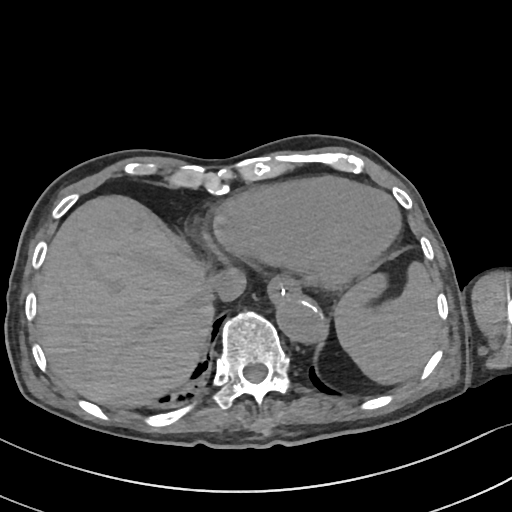

CT abdomen; axial view; 512x512 px
Boxes: x1 y1 x2 y2 (pixel coords, space-separated).
esophagus: 268 274 301 299
inferior vena cava: 211 266 245 300
liver: 36 194 215 408
aorta: 275 294 322 340
spleen: 334 262 442 385